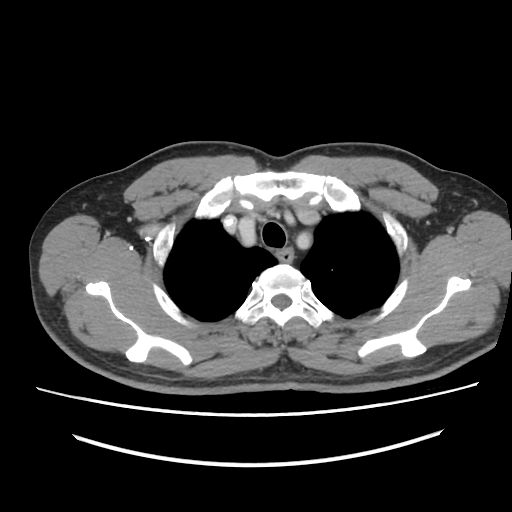
Abdominal CT reaching into the chest; this slice is in the chest — axial view
At this level of the chest this dataset labels only the esophagus and the aorta, and each is boxed only where it is labeled; the heart and lungs are never labeled.
<organs><organ name="esophagus" x1="281" y1="250" x2="292" y2="261"/></organs>